Chest-level CT slice, above the liver and spleen — axial view — soft-tissue window, W/L 400/40
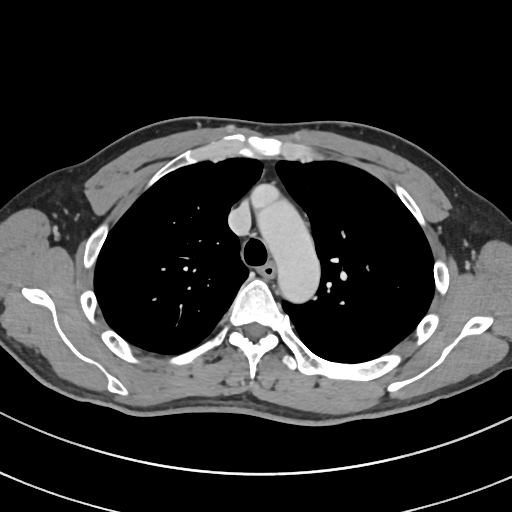

At this level of the chest no structure but the esophagus and the aorta has a label in this dataset, and those two are boxed only where they are labeled.
One row per box, in pixels: columns x1 and y1 give the top-left corner, x2 and y2 the bottom-right.
| organ | x1 | y1 | x2 | y2 |
|---|---|---|---|---|
| esophagus | 259 | 262 | 276 | 277 |
| aorta | 252 | 185 | 319 | 302 |